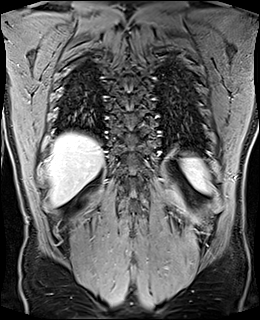

Abdominal MRI; coronal view; percentile-normalized
<organs><organ name="spleen" x1="181" y1="155" x2="209" y2="191"/><organ name="liver" x1="47" y1="133" x2="104" y2="206"/></organs>